CT, abdomen/pelvis; axial view; 59-year-old male patient
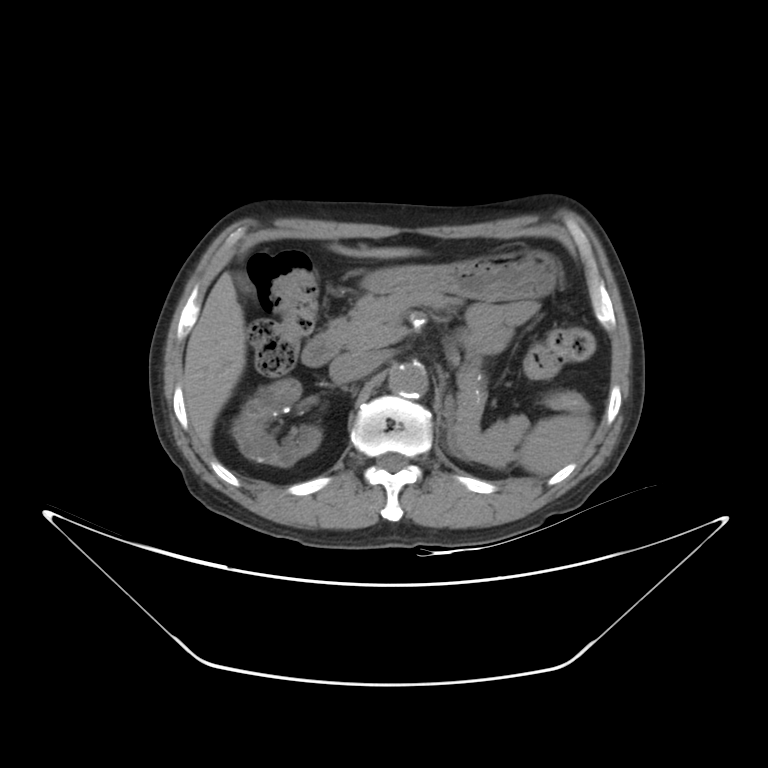 Box edges are left/top/right/bottom in pixels.
right kidney: left=230, top=378, right=322, bottom=466
liver: left=183, top=243, right=421, bottom=451
left adrenal gland: left=445, top=394, right=466, bottom=462
stomach: left=361, top=247, right=559, bottom=300
inferior vena cava: left=329, top=352, right=381, bottom=382
gall bladder: left=234, top=273, right=252, bottom=295
pancreas: left=327, top=292, right=528, bottom=463
spleen: left=515, top=400, right=593, bottom=474
aorta: left=389, top=363, right=427, bottom=397
duodenum: left=301, top=333, right=339, bottom=367